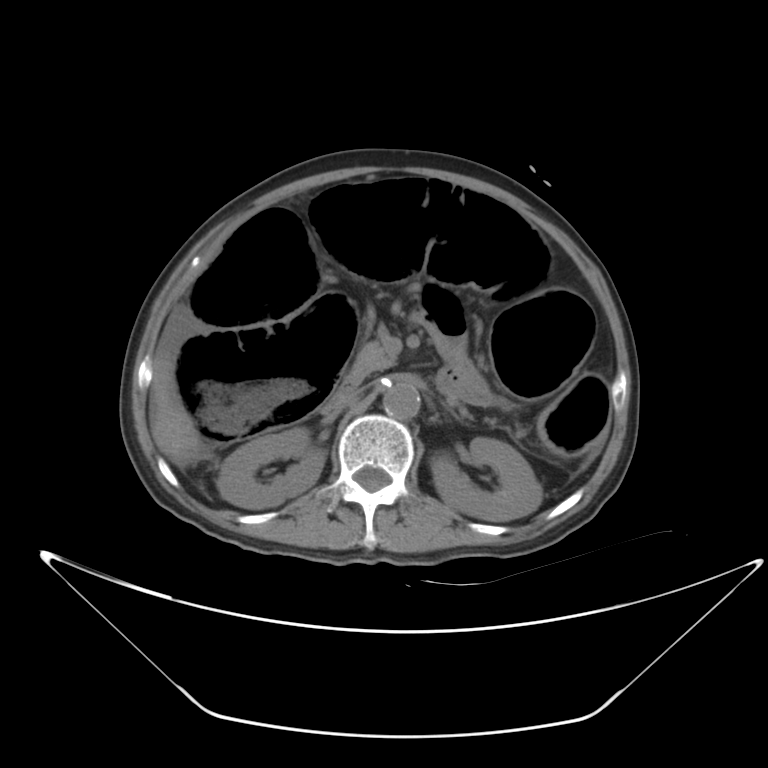 Abdominal CT; axial view; 768x768 px
<organs><organ name="duodenum" x1="335" y1="375" x2="361" y2="393"/><organ name="pancreas" x1="348" y1="342" x2="394" y2="379"/><organ name="aorta" x1="383" y1="382" x2="420" y2="419"/><organ name="right kidney" x1="217" y1="427" x2="326" y2="508"/><organ name="left kidney" x1="430" y1="437" x2="542" y2="521"/><organ name="inferior vena cava" x1="326" y1="389" x2="359" y2="411"/><organ name="liver" x1="150" y1="346" x2="200" y2="465"/></organs>